CT, abdomen/pelvis · axial plane, index 114 · W/L 400/40 HU
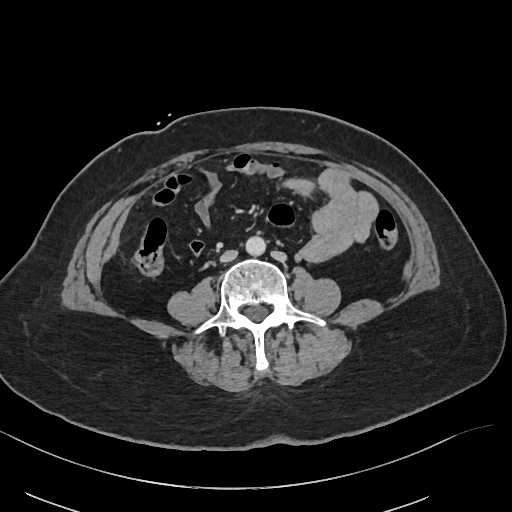
Box edges are left/top/right/bottom in pixels.
Organ bounding boxes:
- aorta: left=245, top=236, right=266, bottom=255
- inferior vena cava: left=220, top=250, right=237, bottom=262